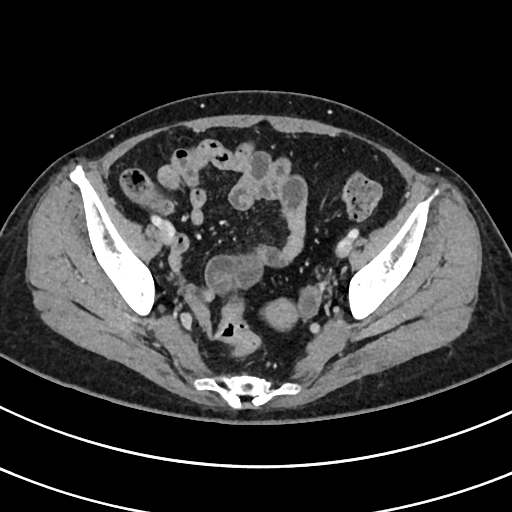 CT, abdomen/pelvis — axial plane, index 42 — soft-tissue window (W 400 / L 40) — 15 organs annotated in this scan (a whole-scan count: organs this slice does not pass through have no box)
Boxes: x1 y1 x2 y2 (pixel coords, space-separated). Labeled organs on this slice: prostate/uterus at 267 300 297 327.